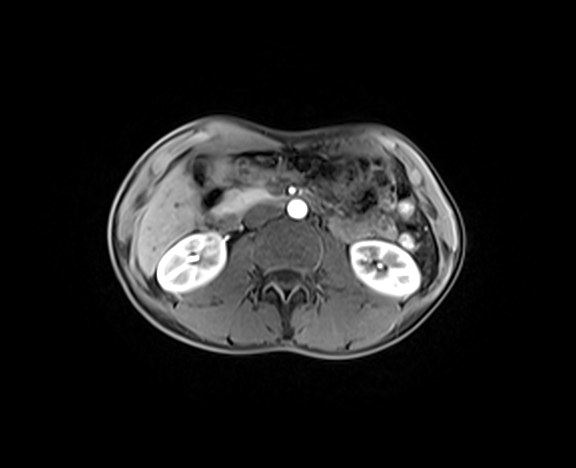

Abdominal MRI. axial plane, index 24. 576x468 px
Boxes: x1 y1 x2 y2 (pixel coords, space-separated). The annotated organs in this slice are: right kidney at 157 233 225 292, left kidney at 351 241 419 296, gall bladder at 210 161 227 182, liver at 134 163 199 276, aorta at 287 200 307 219, inferior vena cava at 245 204 278 226, pancreas at 219 186 271 214, duodenum at 207 193 314 230.